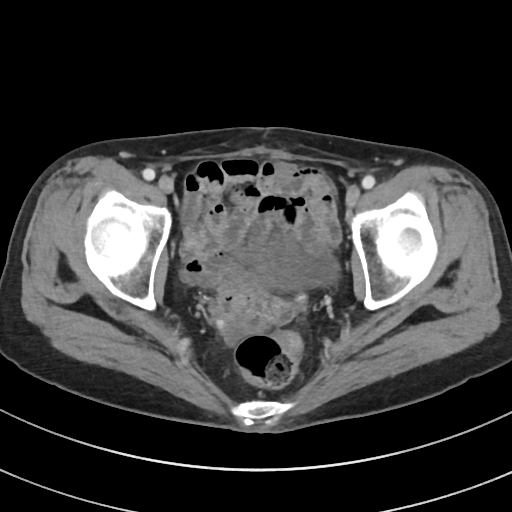 CT, abdomen/pelvis. Axial slice 13/84. 512x512 px
Boxes: x1:y1:x2:y2 in pixels. 1 labeled organ on this slice — bladder at 258:246:338:287.